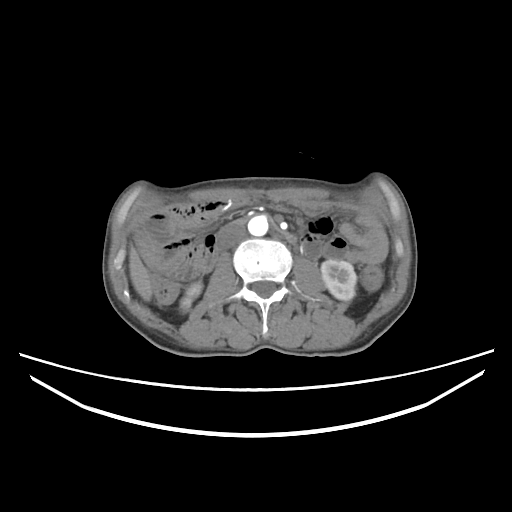
Computed tomography, abdomen; Axial slice 50/118; soft-tissue window; 50-year-old male patient; scan has 14 labeled organs (counted over the whole 3D scan, not this slice; an organ is boxed only where this slice passes through it)
<organs><organ name="right kidney" x1="180" y1="283" x2="201" y2="310"/><organ name="left kidney" x1="321" y1="260" x2="356" y2="300"/><organ name="liver" x1="129" y1="247" x2="151" y2="300"/><organ name="aorta" x1="248" y1="215" x2="268" y2="236"/><organ name="inferior vena cava" x1="217" y1="221" x2="245" y2="248"/></organs>